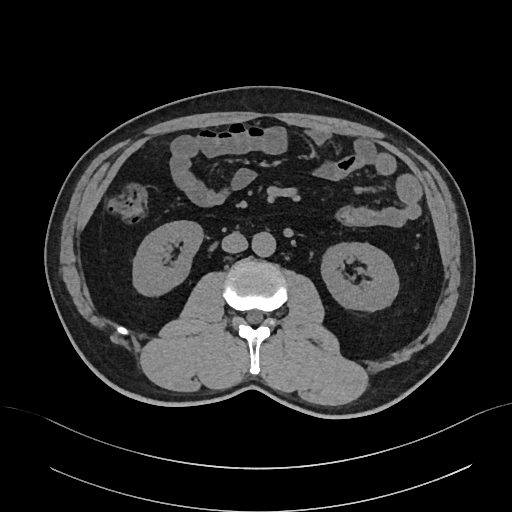 CT abdomen; axial view; 512x512 px
One row per box, in pixels: columns x1 and y1 give the top-left corner, x2 and y2 the bottom-right.
| organ | x1 | y1 | x2 | y2 |
|---|---|---|---|---|
| right kidney | 132 | 221 | 202 | 297 |
| left kidney | 322 | 243 | 398 | 312 |
| aorta | 252 | 232 | 275 | 257 |
| inferior vena cava | 222 | 232 | 247 | 252 |